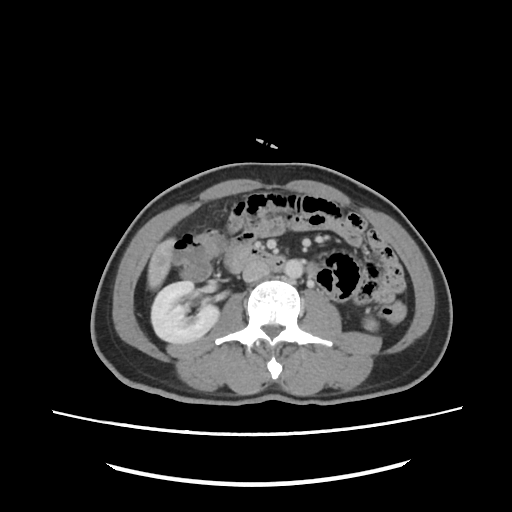
Abdominal CT · axial view · 512x512 px
{"organs":{"right kidney":[151,281,218,343],"left kidney":[365,319,376,329],"liver":[147,238,175,289],"aorta":[283,259,303,278],"inferior vena cava":[242,261,270,282],"duodenum":[230,247,283,272]}}